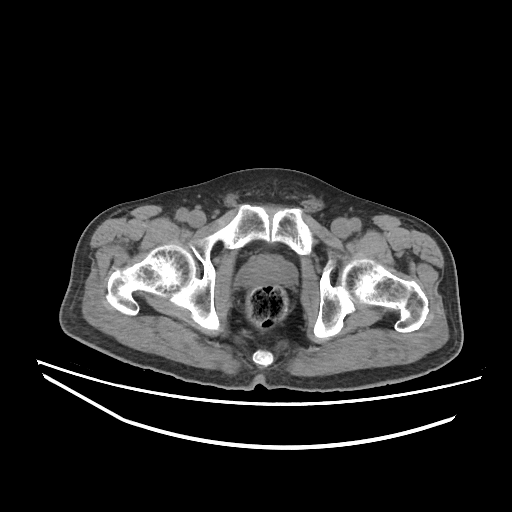
Abdominal CT · axial view · soft-tissue window (W 400 / L 40) · 512x512 px · 68-year-old male patient
<organs><organ name="prostate/uterus" x1="238" y1="255" x2="295" y2="288"/></organs>